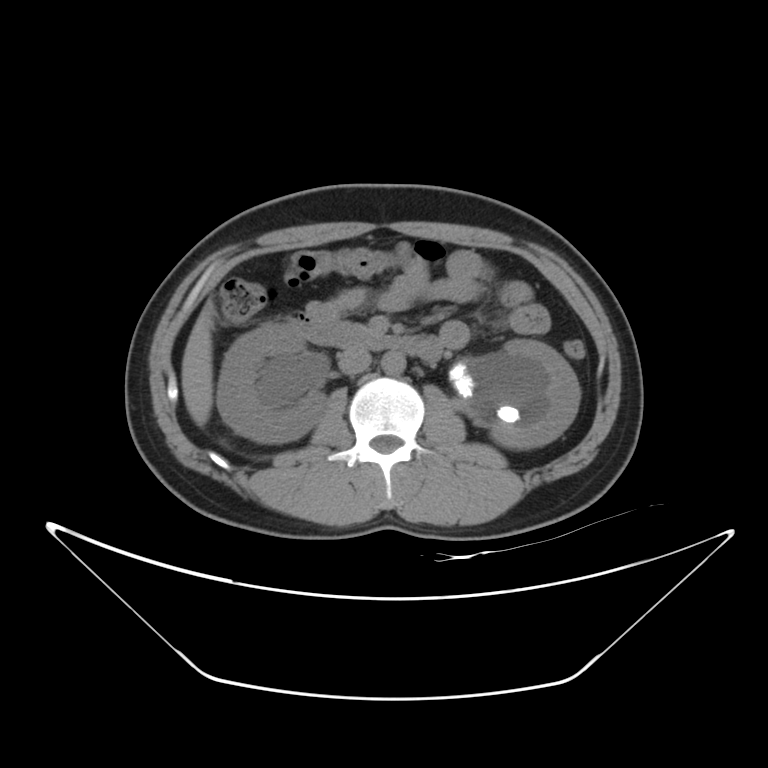 Computed tomography, abdomen — axial view — W/L 400/40 HU
Each box given as x1,y1,x2,y2.
right kidney: x1=217, y1=323, x2=326, y2=443
left kidney: x1=481, y1=339, x2=580, y2=449
liver: x1=181, y1=299, x2=215, y2=426
aorta: x1=381, y1=351, x2=406, y2=375
inferior vena cava: x1=338, y1=349, x2=371, y2=375
duodenum: x1=288, y1=314, x2=443, y2=362